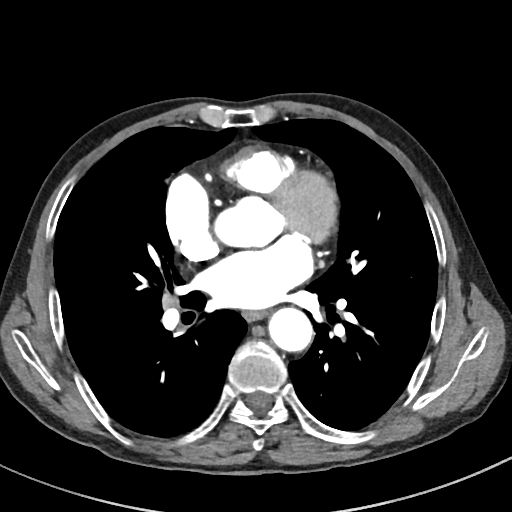 Abdominal CT; this slice is in the lower chest, just above the liver — Axial slice 232/303 — 512x512 px — scan has 15 labeled organs (that count is for the whole scan; organs this slice misses have no box)
Of the structures in the chest, this dataset labels only the esophagus, the aorta and the inferior vena cava; the heart and lungs have no label.
{"organs":{"esophagus":[243,311,267,321],"aorta":[268,308,313,351]}}